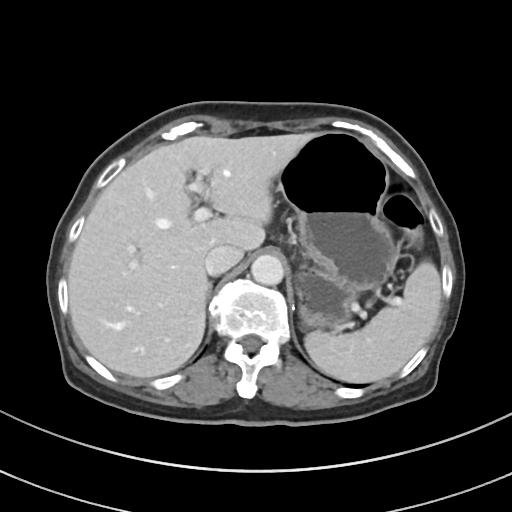 CT, abdomen/pelvis. Axial slice 70/84. W/L 400/40 HU
<organs><organ name="spleen" x1="304" y1="261" x2="440" y2="383"/><organ name="liver" x1="68" y1="132" x2="316" y2="378"/><organ name="stomach" x1="277" y1="131" x2="397" y2="330"/><organ name="aorta" x1="251" y1="254" x2="284" y2="285"/><organ name="inferior vena cava" x1="205" y1="244" x2="243" y2="275"/><organ name="right adrenal gland" x1="206" y1="281" x2="212" y2="303"/></organs>